CT abdomen; axial view
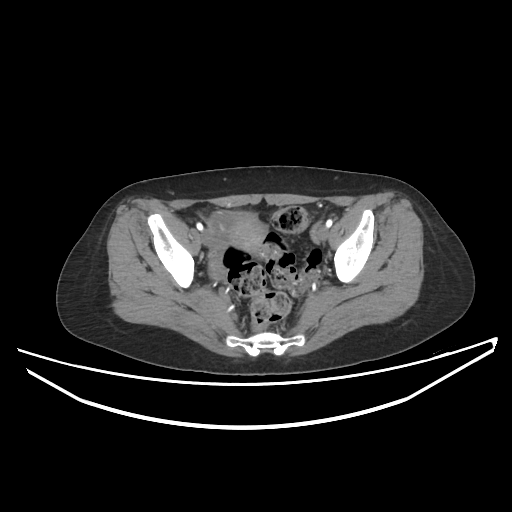
Bounding boxes as [x1, y1, x2, y2] in pixel coordinates.
Organ bounding boxes:
- prostate/uterus: [228, 215, 265, 252]